Abdominal CT; axial view; W/L 400/40 HU
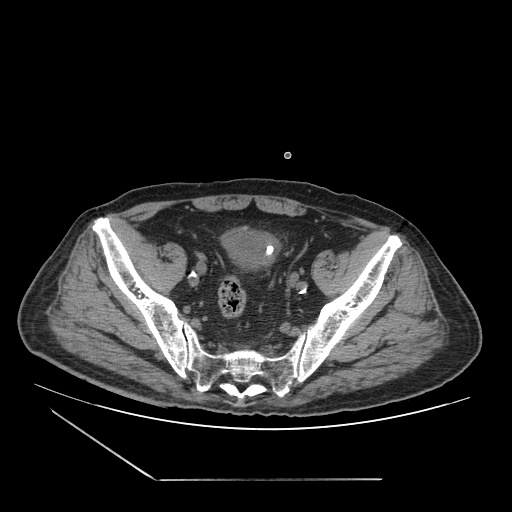 One row per box, in pixels: columns x1 and y1 give the top-left corner, x2 and y2 the bottom-right.
| organ | x1 | y1 | x2 | y2 |
|---|---|---|---|---|
| bladder | 219 | 226 | 280 | 270 |